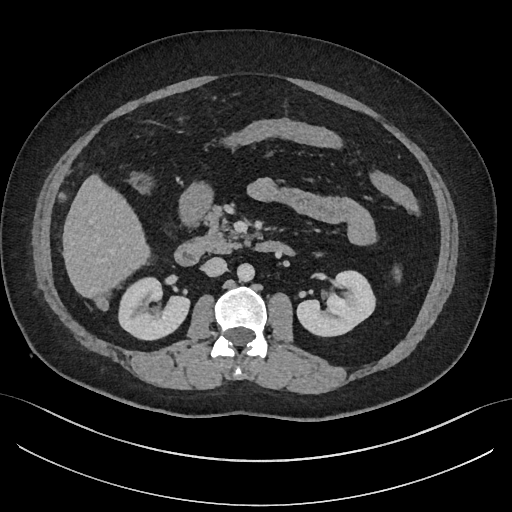

Computed tomography, abdomen — Axial slice 144/305 — soft-tissue window — SOMATOM Force scanner
Boxes: x1 y1 x2 y2 (pixel coords, space-separated).
right kidney: 118 277 189 339
duodenum: 174 239 292 265
pancreas: 198 206 247 253
gall bladder: 131 173 153 192
inferior vena cava: 202 257 226 276
left kidney: 296 271 375 336
aorta: 237 263 254 281
liver: 62 174 150 297
stomach: 179 182 213 225
spleen: 393 267 401 280